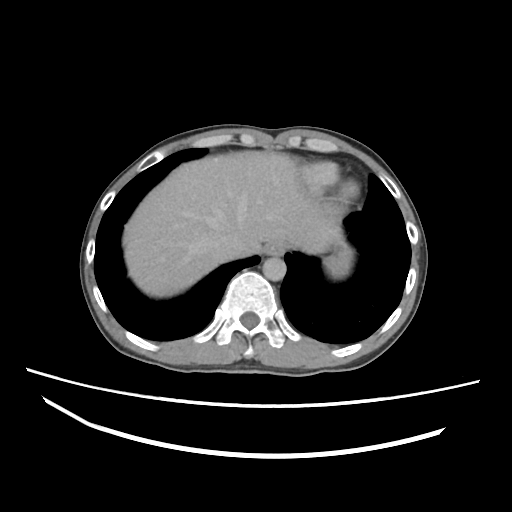 CT abdomen · axial view · 512x512 px · Aquilion ONE scanner · 15 organs annotated in this scan (counted over the whole 3D scan, not this slice; an organ is boxed only where this slice passes through it)
One row per box, in pixels: columns x1 and y1 give the top-left corner, x2 and y2 the bottom-right.
| organ | x1 | y1 | x2 | y2 |
|---|---|---|---|---|
| inferior vena cava | 205 | 232 | 240 | 262 |
| esophagus | 262 | 242 | 282 | 254 |
| spleen | 322 | 242 | 353 | 276 |
| aorta | 262 | 257 | 286 | 281 |
| liver | 122 | 150 | 343 | 297 |